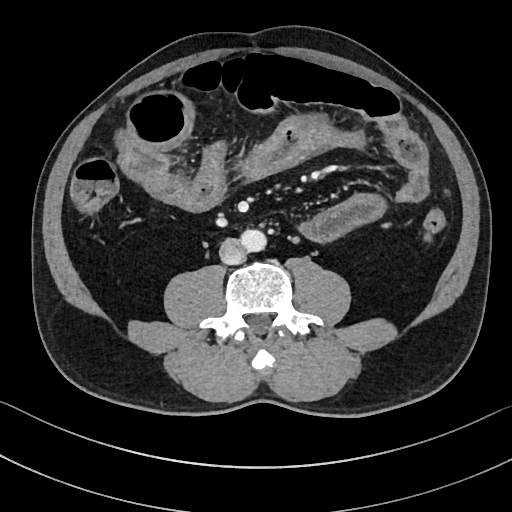 Computed tomography, abdomen; axial view; 512x512 px
{"organs":{"aorta":[242,229,267,252],"inferior vena cava":[220,238,245,264]}}